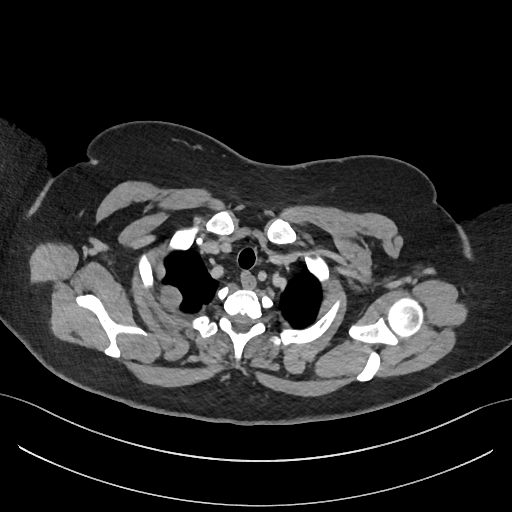
Abdominal CT reaching into the chest; this slice is in the chest; axial view; soft-tissue window (W 400 / L 40); acquired on SOMATOM Force
At this level of the chest no structure but the esophagus and the aorta has a label in this dataset, and those two are boxed only where they are labeled.
Each box given as x1,y1,x2,y2.
esophagus: x1=241, y1=271, x2=254, y2=288